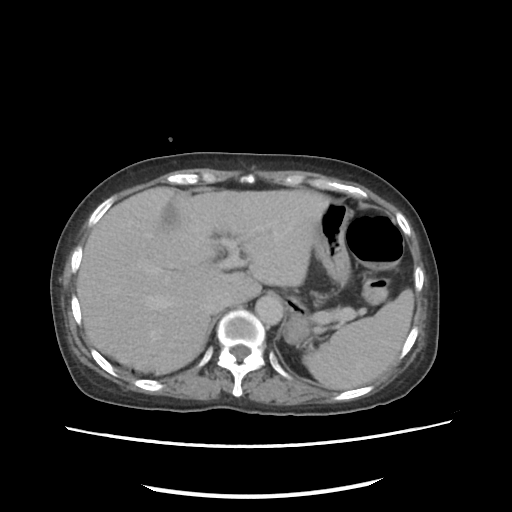
Abdominal CT · Axial slice 75/90
One row per box, in pixels: columns x1 and y1 give the top-left corner, x2 and y2 the bottom-right.
| organ | x1 | y1 | x2 | y2 |
|---|---|---|---|---|
| spleen | 303 | 289 | 414 | 389 |
| gall bladder | 163 | 203 | 177 | 226 |
| liver | 76 | 187 | 330 | 373 |
| stomach | 284 | 200 | 350 | 345 |
| aorta | 255 | 295 | 283 | 325 |
| inferior vena cava | 206 | 293 | 228 | 313 |